CT, abdomen/pelvis — axial view — 768x768 px — 28-year-old female patient
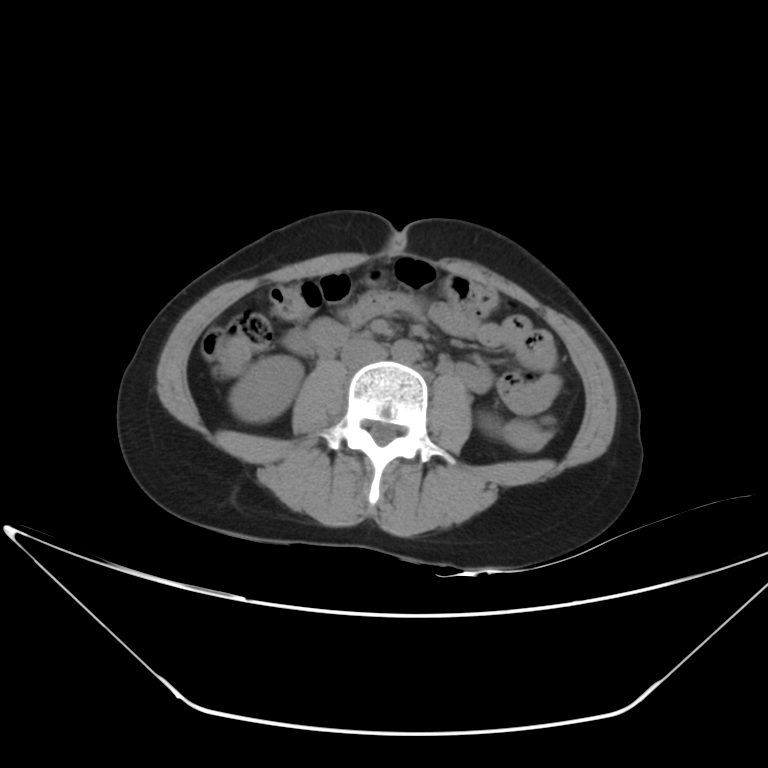

{"organs":{"duodenum":[284,330,315,353],"right kidney":[229,356,303,422],"inferior vena cava":[340,339,387,367],"left kidney":[479,414,500,433],"aorta":[391,340,419,362]}}